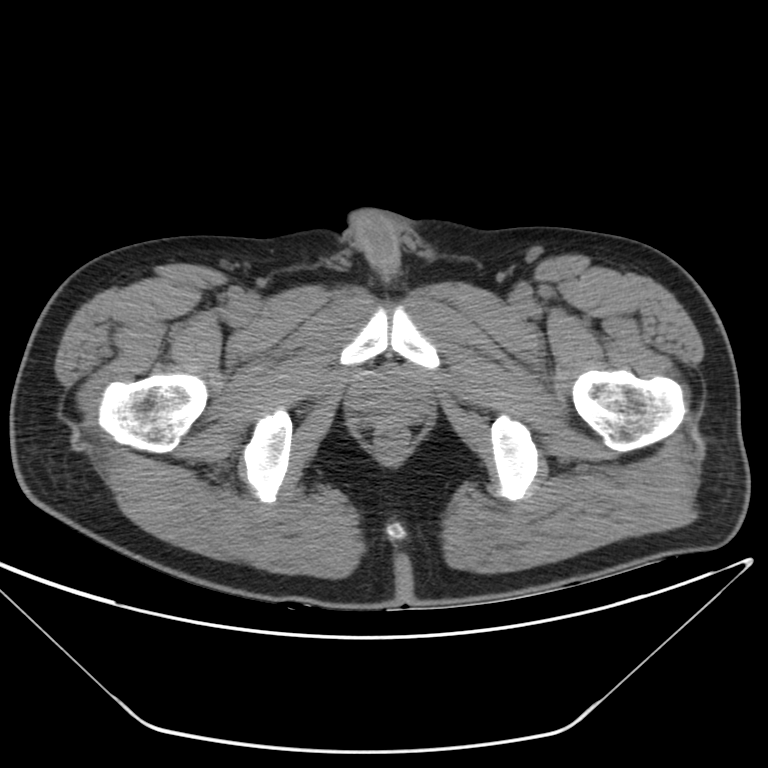

CT abdomen. axial view. 15 organs annotated in this scan (that count is for the whole scan; organs this slice misses have no box)
One row per box, in pixels: columns x1 and y1 give the top-left corner, x2 and y2 the bottom-right.
| organ | x1 | y1 | x2 | y2 |
|---|---|---|---|---|
| prostate/uterus | 367 | 379 | 415 | 417 |